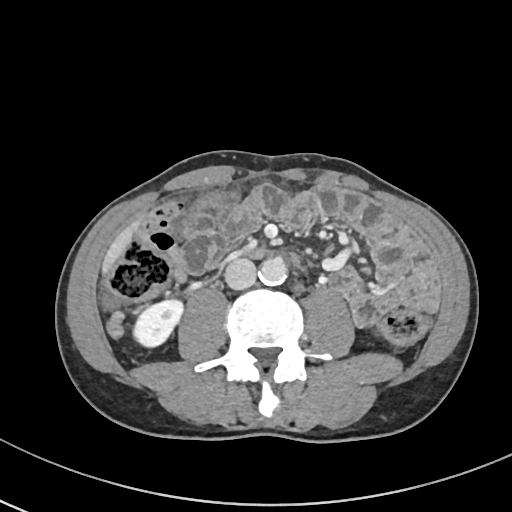
CT abdomen — axial view — 512x512 px — 15 organs annotated in this scan (counted over the whole 3D scan, not this slice; an organ is boxed only where this slice passes through it)
{"organs":{"right kidney":[133,300,182,347],"liver":[102,221,139,272],"aorta":[259,257,287,285],"inferior vena cava":[224,258,256,289],"duodenum":[251,248,278,258]}}